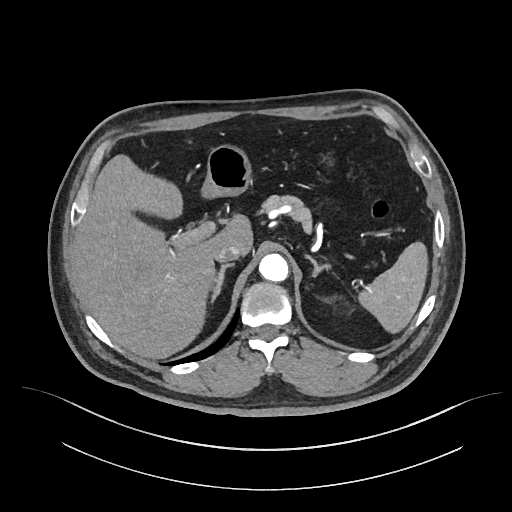 CT abdomen · axial view
<organs><organ name="spleen" x1="358" y1="241" x2="428" y2="333"/><organ name="liver" x1="74" y1="154" x2="252" y2="359"/><organ name="stomach" x1="201" y1="144" x2="252" y2="198"/><organ name="aorta" x1="259" y1="253" x2="288" y2="281"/><organ name="inferior vena cava" x1="214" y1="245" x2="240" y2="262"/><organ name="pancreas" x1="259" y1="195" x2="312" y2="232"/><organ name="right adrenal gland" x1="209" y1="263" x2="234" y2="302"/><organ name="left adrenal gland" x1="305" y1="255" x2="329" y2="276"/></organs>